CT abdomen; axial view; acquired on SOMATOM Force; 15 organs annotated in this scan (that count is for the whole scan; organs this slice misses have no box)
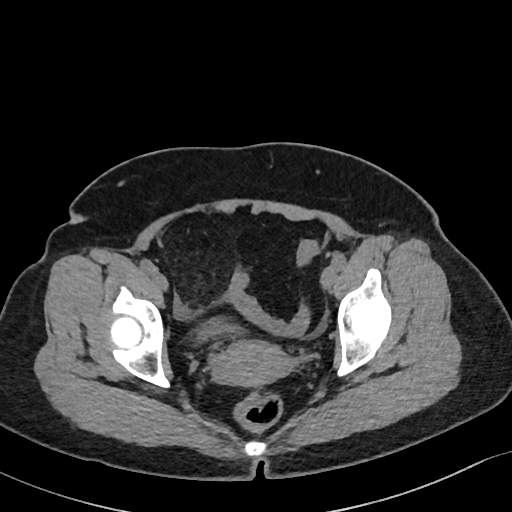
Boxes are (x1, y1, x2, y2) in pixels.
Organ bounding boxes:
- bladder: (197, 319, 237, 339)
- prostate/uterus: (212, 340, 291, 387)